Computed tomography, abdomen. axial view. soft-tissue window. 25-year-old male patient
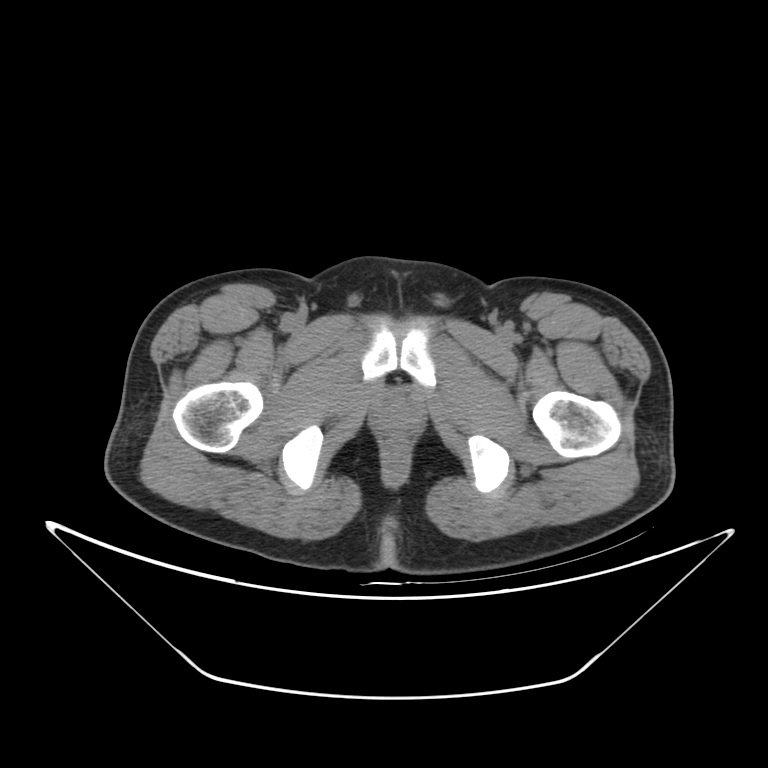 Boxes: x1 y1 x2 y2 (pixel coords, space-separated). The annotated organs in this slice are: prostate/uterus at 383 399 409 425.